CT, abdomen/pelvis · axial view · 768x768 px
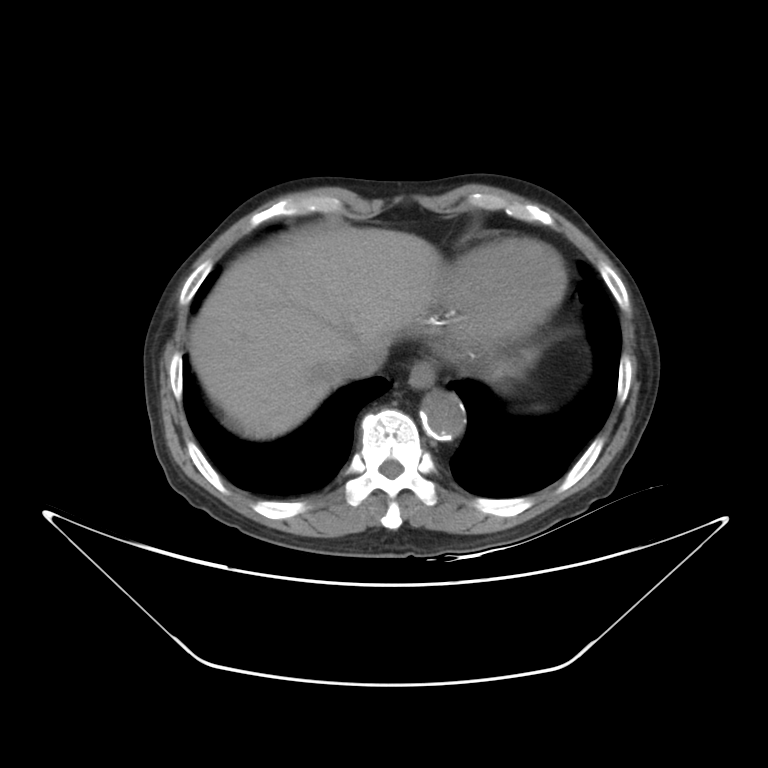
Each box given as x1,y1,x2,y2.
aorta: x1=419, y1=390, x2=465, y2=439
stomach: x1=494, y1=364, x2=520, y2=384
inferior vena cava: x1=336, y1=343, x2=386, y2=378
esophagus: x1=408, y1=361, x2=436, y2=389
liver: x1=189, y1=225, x2=442, y2=439